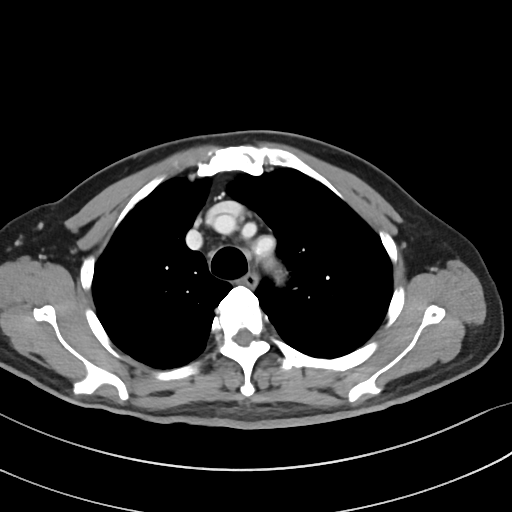 CT of the abdomen extending into the chest, slice through the chest; axial view; soft-tissue window
At this level of the chest this dataset labels only the esophagus and the aorta, and each is boxed only where it is labeled; the heart and lungs are never labeled.
{"organs":{"esophagus":[243,273,258,287],"aorta":[254,236,280,276]}}